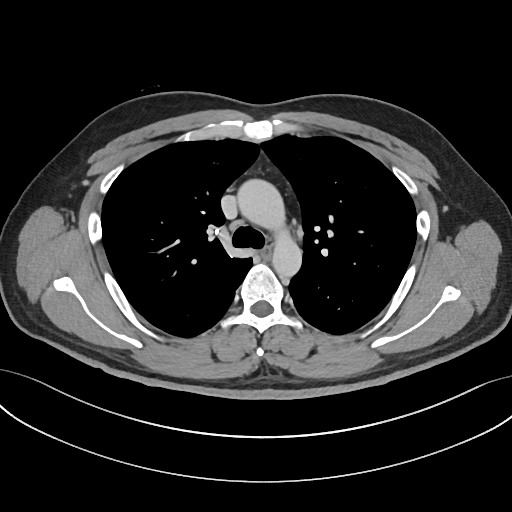

Abdominal CT reaching into the chest; this slice is in the chest. axial view. soft-tissue window (W 400 / L 40). 15 organs annotated in this scan (a whole-scan count: organs this slice does not pass through have no box)
At this level of the chest no structure but the esophagus and the aorta has a label in this dataset, and those two are boxed only where they are labeled.
Boxes: x1:y1:x2:y2 in pixels.
Organ bounding boxes:
- aorta: 237:179:301:276
- esophagus: 260:247:271:259